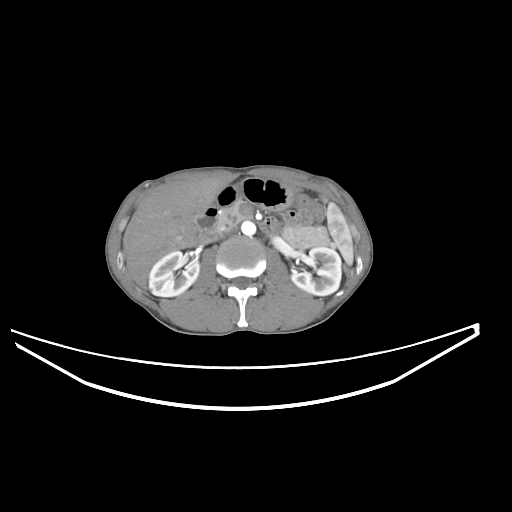

CT abdomen — Axial slice 61/131 — soft-tissue window — 512x512 px — 60-year-old male patient — 15 organs annotated in this scan (counted over the whole 3D scan, not this slice; an organ is boxed only where this slice passes through it)
Box edges are left/top/right/bottom in pixels.
Organ bounding boxes:
- spleen: left=327, top=202, right=353, bottom=265
- right kidney: left=149, top=251, right=199, bottom=296
- left kidney: left=291, top=246, right=341, bottom=295
- liver: left=123, top=178, right=230, bottom=288
- stomach: left=216, top=178, right=293, bottom=211
- aorta: left=241, top=221, right=255, bottom=235
- inferior vena cava: left=214, top=226, right=238, bottom=240
- pancreas: left=217, top=202, right=330, bottom=248
- duodenum: left=194, top=205, right=220, bottom=243